Abdominal CT; Axial slice 82/96; abdomen soft-tissue window; 512x512 px; 62-year-old female patient; 15 organs annotated in this scan (counted over the whole 3D scan, not this slice; an organ is boxed only where this slice passes through it)
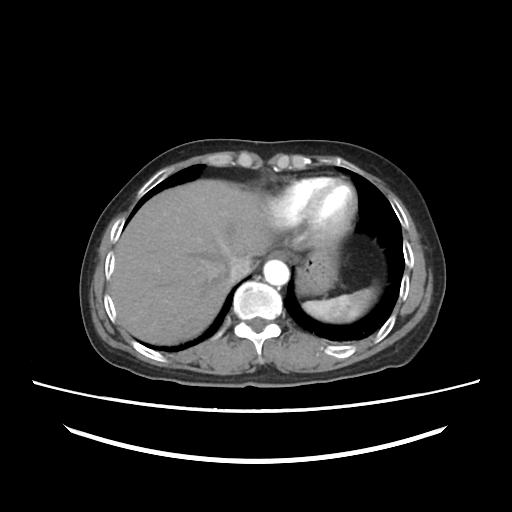

Boxes: x1:y1:x2:y2 in pixels.
Organ bounding boxes:
- spleen: 303:288:376:322
- stomach: 297:241:338:294
- liver: 110:179:270:344
- inferior vena cava: 228:257:251:280
- aorta: 263:259:289:285
- esophagus: 269:251:286:258